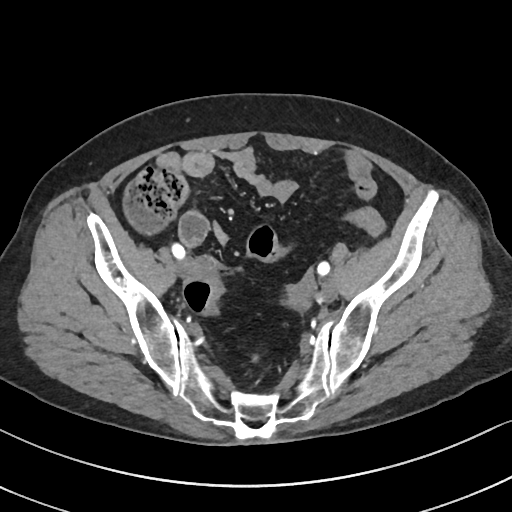

CT abdomen; axial view; abdomen soft-tissue window; acquired on SOMATOM Force; 15 organs annotated in this scan (counted over the whole 3D scan, not this slice; an organ is boxed only where this slice passes through it)
Bounding boxes as [x1, y1, x2, y2] in pixel coordinates.
Organ bounding boxes:
- prostate/uterus: [286, 284, 311, 311]